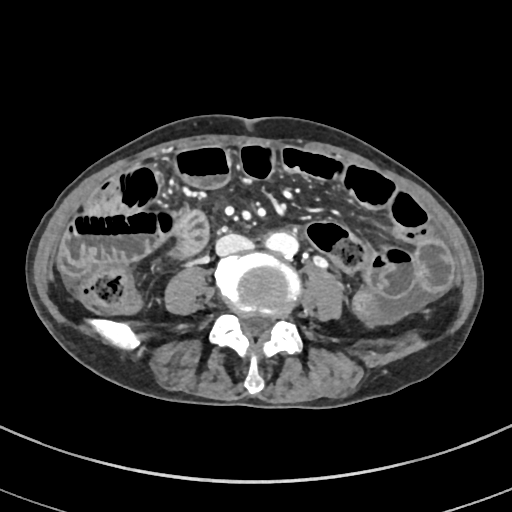 Computed tomography, abdomen. axial view. 14 organs annotated in this scan (counted over the whole 3D scan, not this slice; an organ is boxed only where this slice passes through it)
Coordinates as <box>x1,y1,x2,y2</box> in pixels.
Organ bounding boxes:
- aorta: <box>268,232,298,256</box>
- inferior vena cava: <box>217,234,255,255</box>